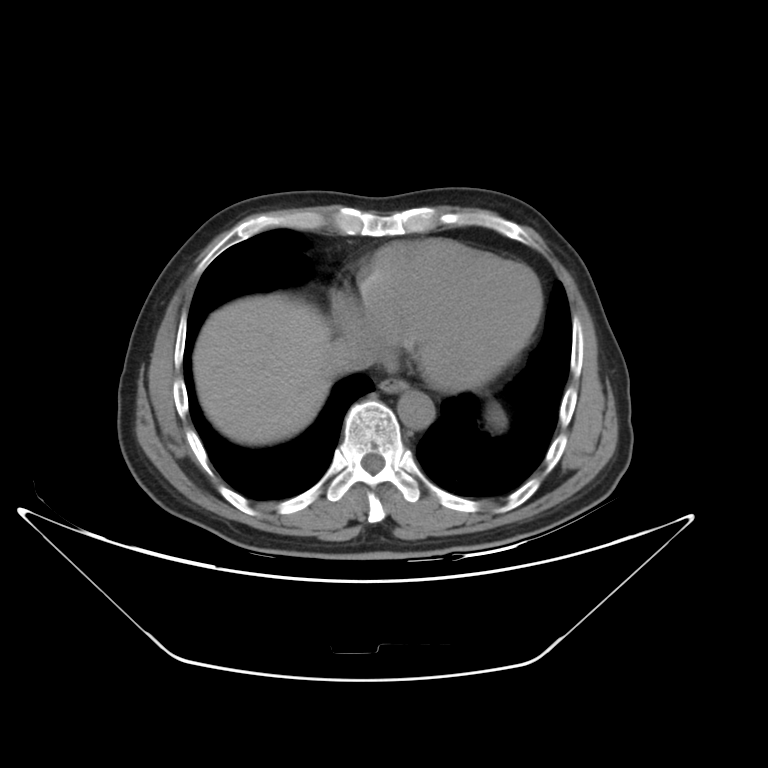 Abdominal CT — axial plane, index 93 — W/L 400/40 HU — 768x768 px
Each box given as x1,y1,x2,y2. Labeled organs on this slice: liver at x1=192, y1=294, x2=332, y2=444, esophagus at x1=377, y1=379, x2=405, y2=390, aorta at x1=398, y1=391, x2=434, y2=428, spleen at x1=485, y1=404, x2=507, y2=432, inferior vena cava at x1=328, y1=339, x2=376, y2=374.